CT, abdomen/pelvis — axial view
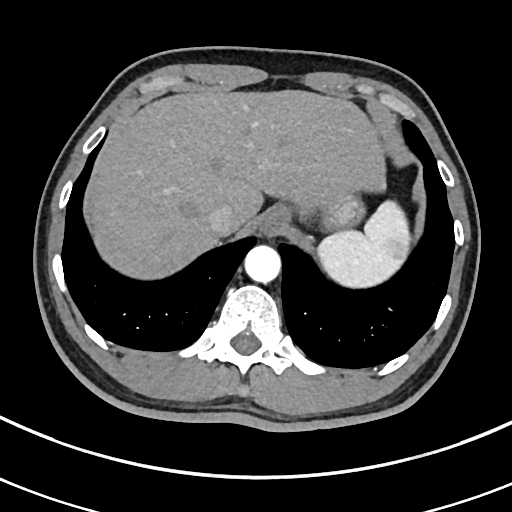

Box edges are left/top/right/bottom in pixels.
Organ bounding boxes:
- stomach: left=318, top=192, right=364, bottom=230
- esophagus: left=259, top=206, right=290, bottom=235
- liver: left=89, top=90, right=385, bottom=279
- inferior vena cava: left=207, top=204, right=235, bottom=236
- aorta: left=244, top=245, right=281, bottom=283
- spleen: left=317, top=201, right=411, bottom=287